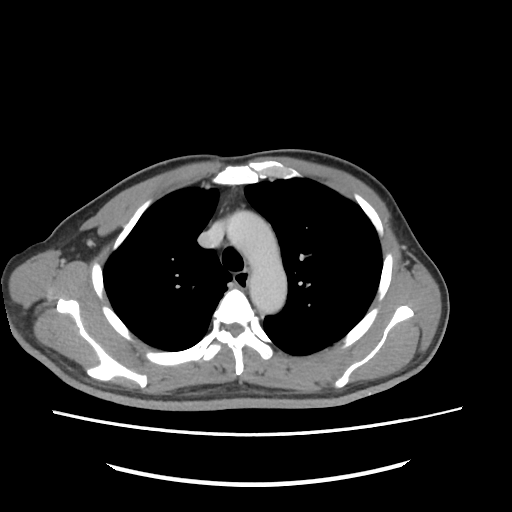 Chest-level slice from an abdominal CT that extends up into the chest · axial view · scan has 15 labeled organs (a whole-scan count: organs this slice does not pass through have no box)
On a slice this high in the chest, this dataset labels only the esophagus and the aorta, and each is boxed only where it is labeled; the heart, lungs and other chest structures are not labeled.
One row per box, in pixels: columns x1 and y1 give the top-left corner, x2 and y2 the bottom-right.
| organ | x1 | y1 | x2 | y2 |
|---|---|---|---|---|
| esophagus | 235 | 271 | 250 | 289 |
| aorta | 226 | 210 | 286 | 313 |